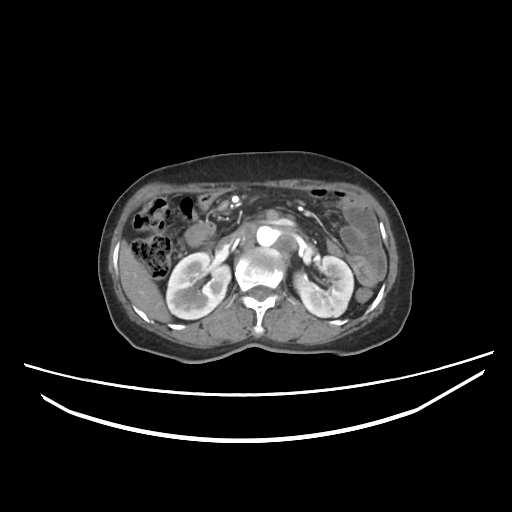
CT, abdomen/pelvis · axial view · W/L 400/40 HU · 512x512 px
Bounding boxes in pixels, one row per box: x1, y1 is the top-left corner and x2, y2 the bottom-right.
| organ | x1 | y1 | x2 | y2 |
|---|---|---|---|---|
| aorta | 256 | 226 | 274 | 246 |
| right kidney | 166 | 252 | 230 | 318 |
| duodenum | 183 | 221 | 215 | 247 |
| liver | 119 | 241 | 171 | 322 |
| inferior vena cava | 216 | 227 | 244 | 249 |
| left kidney | 293 | 256 | 353 | 316 |